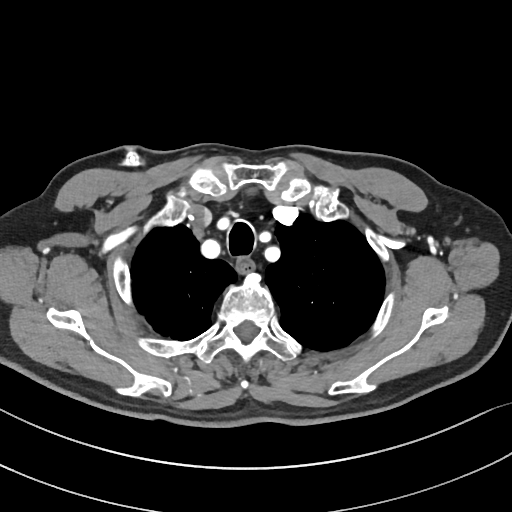

Chest-level slice from an abdominal CT that extends up into the chest; axial plane, index 288
At this level of the chest this dataset labels only the esophagus and the aorta, and each is boxed only where it is labeled; the heart and lungs are never labeled.
Boxes: x1 y1 x2 y2 (pixel coords, space-separated).
Organ bounding boxes:
- esophagus: 236 256 254 271